Computed tomography, abdomen · axial plane, index 121 · SOMATOM Force scanner
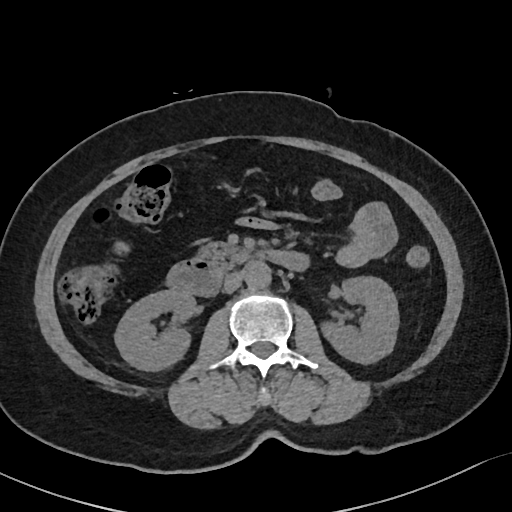
One row per box, in pixels: columns x1 and y1 give the top-left corner, x2 and y2 the bottom-right.
| organ | x1 | y1 | x2 | y2 |
|---|---|---|---|---|
| right kidney | 115 | 289 | 195 | 369 |
| left kidney | 323 | 276 | 399 | 362 |
| aorta | 243 | 260 | 270 | 287 |
| inferior vena cava | 223 | 272 | 243 | 292 |
| pancreas | 199 | 242 | 251 | 271 |
| duodenum | 168 | 249 | 307 | 296 |